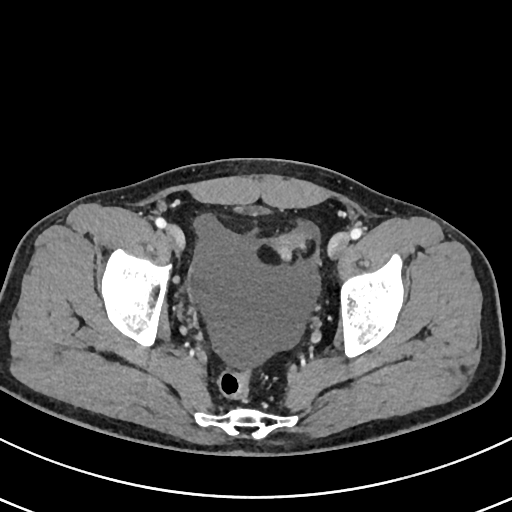

Abdominal CT · axial view · soft-tissue window (W 400 / L 40)
<organs><organ name="bladder" x1="234" y1="205" x2="270" y2="215"/></organs>